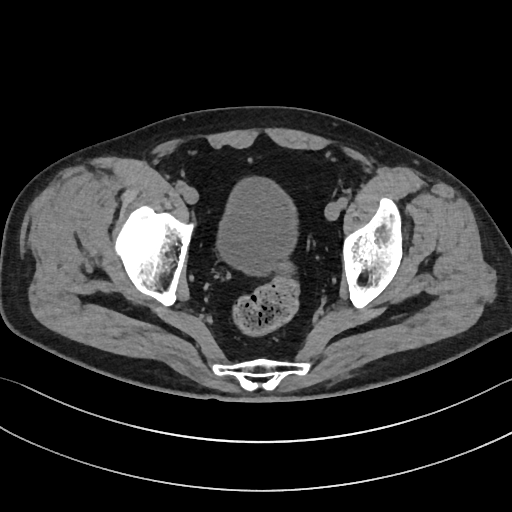 CT, abdomen/pelvis · axial plane, index 41 · 512x512 px
{"organs":{"bladder":[217,177,297,274]}}